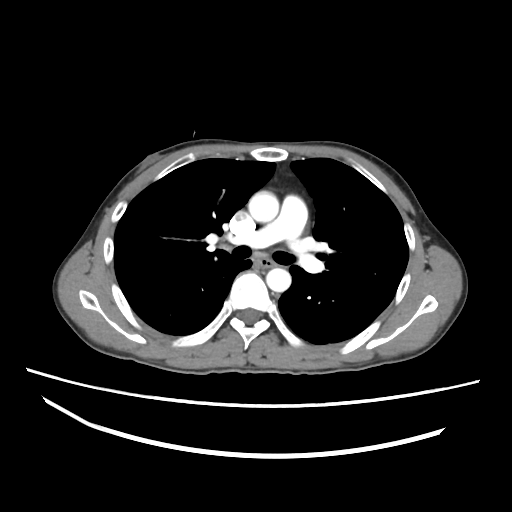
Chest-level CT slice, above the liver and spleen · axial plane, index 113 · soft-tissue window · 15 organs annotated in this scan (that count is for the whole scan; organs this slice misses have no box)
At this level of the chest this dataset labels only the esophagus and the aorta, and each is boxed only where it is labeled; the heart and lungs are never labeled.
<organs><organ name="esophagus" x1="252" y1="254" x2="275" y2="268"/><organ name="aorta" x1="248" y1="191" x2="278" y2="222"/><organ name="aorta" x1="266" y1="268" x2="291" y2="291"/></organs>